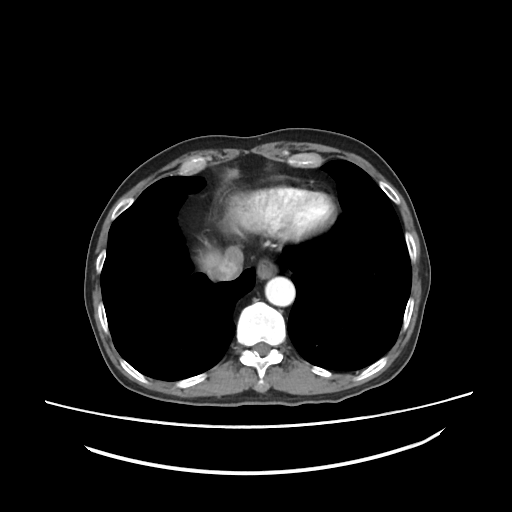 CT abdomen — Axial slice 83/135 — abdomen soft-tissue window — 512x512 px — 68-year-old male patient — Aquilion ONE scanner
Each box given as x1,y1,x2,y2.
Organ bounding boxes:
- esophagus: x1=256, y1=260, x2=272, y2=278
- liver: x1=203, y1=252, x2=221, y2=273
- aorta: x1=265, y1=276, x2=295, y2=306
- inferior vena cava: x1=214, y1=247, x2=243, y2=280